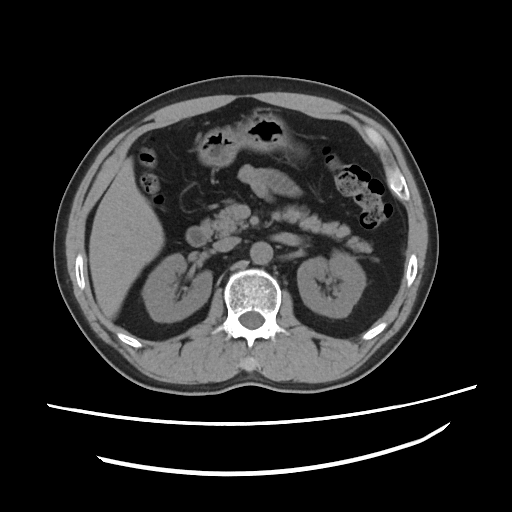

Abdominal CT. Axial slice 66/92
One row per box, in pixels: columns x1 and y1 give the top-left corner, x2 and y2 the bottom-right.
| organ | x1 | y1 | x2 | y2 |
|---|---|---|---|---|
| right kidney | 143 | 254 | 212 | 322 |
| left kidney | 297 | 253 | 365 | 316 |
| liver | 90 | 158 | 164 | 320 |
| stomach | 197 | 112 | 286 | 166 |
| aorta | 249 | 240 | 273 | 264 |
| inferior vena cava | 214 | 236 | 240 | 251 |
| pancreas | 202 | 206 | 371 | 253 |
| duodenum | 186 | 227 | 206 | 246 |